Computed tomography, abdomen · Axial slice 70/91 · soft-tissue window (W 400 / L 40) · 15 organs annotated in this scan (counted over the whole 3D scan, not this slice; an organ is boxed only where this slice passes through it)
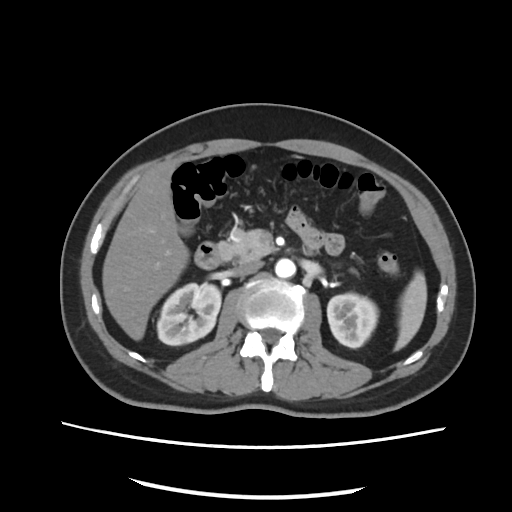 Bounding boxes in pixels, one row per box: x1, y1 is the top-left corner and x2, y2 the bottom-right.
| organ | x1 | y1 | x2 | y2 |
|---|---|---|---|---|
| spleen | 395 | 271 | 426 | 350 |
| right kidney | 157 | 282 | 221 | 345 |
| left kidney | 328 | 292 | 378 | 346 |
| liver | 101 | 162 | 188 | 341 |
| aorta | 276 | 259 | 296 | 277 |
| inferior vena cava | 230 | 261 | 261 | 276 |
| pancreas | 216 | 228 | 359 | 274 |
| duodenum | 196 | 243 | 221 | 269 |